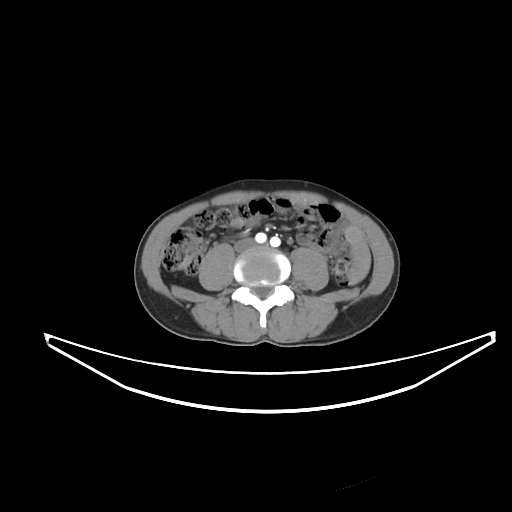

CT abdomen. Axial slice 45/134. acquired on Aquilion ONE. 15 organs annotated in this scan (counted over the whole 3D scan, not this slice; an organ is boxed only where this slice passes through it)
Boxes are (x1, y1, x2, y2) in pixels. The annotated organs in this slice are: inferior vena cava at (234, 238, 254, 251).